Computed tomography, abdomen; axial view; 512x512 px; acquired on SOMATOM Force; scan has 15 labeled organs (a whole-scan count: organs this slice does not pass through have no box)
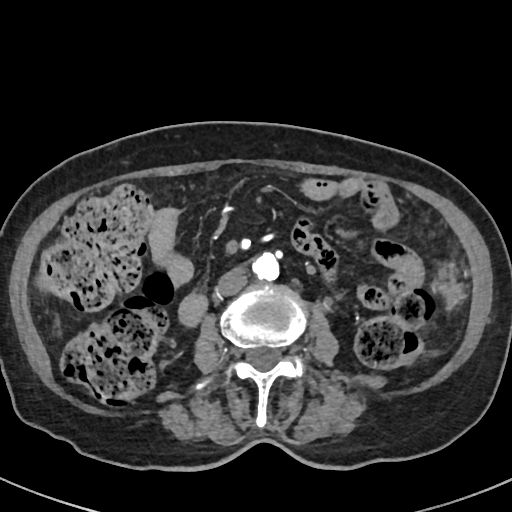
Coordinates as <box>x1,y1,x2,y2</box> in pixels.
aorta: <box>252,251,279,279</box>
inferior vena cava: <box>216,268,247,295</box>